Abdominal CT reaching into the chest; this slice is in the chest. axial view. soft-tissue window. scan has 15 labeled organs (that count is for the whole scan; organs this slice misses have no box)
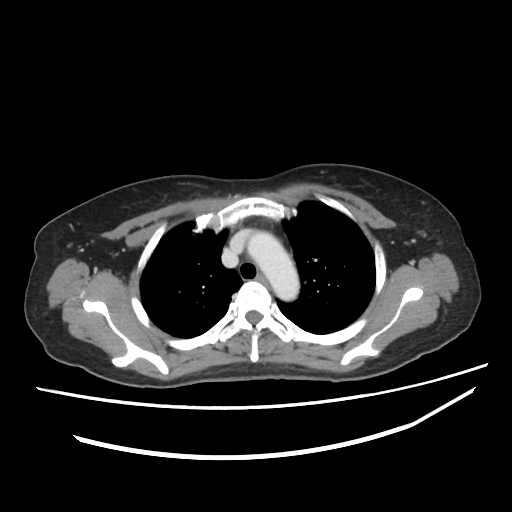
On a slice this high in the chest, this dataset labels only the esophagus and the aorta, and each is boxed only where it is labeled; the heart, lungs and other chest structures are not labeled.
{"organs":{"esophagus":[256,275,268,285],"aorta":[247,232,299,301]}}